CT abdomen — axial view — W/L 400/40 HU — 512x512 px
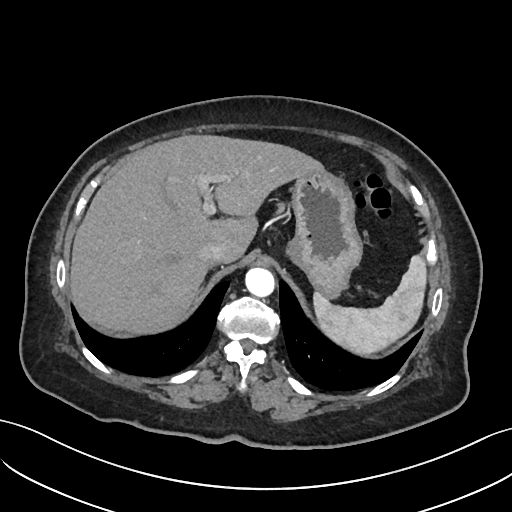
<organs><organ name="liver" x1="69" y1="135" x2="324" y2="332"/><organ name="stomach" x1="286" y1="171" x2="361" y2="297"/><organ name="spleen" x1="314" y1="256" x2="426" y2="353"/><organ name="aorta" x1="245" y1="268" x2="275" y2="297"/><organ name="inferior vena cava" x1="199" y1="242" x2="227" y2="265"/></organs>